CT, abdomen/pelvis · axial view · scan has 15 labeled organs (counted over the whole 3D scan, not this slice; an organ is boxed only where this slice passes through it)
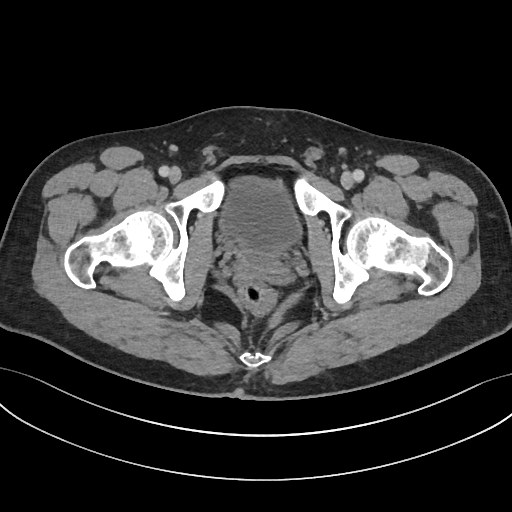
Each box given as x1,y1,x2,y2.
prostate/uterus: x1=238, y1=246, x2=282, y2=274
bladder: x1=221, y1=177, x2=301, y2=250